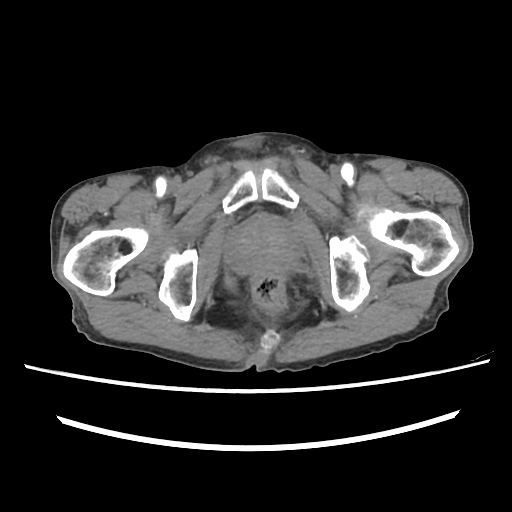 CT abdomen. axial view. W/L 400/40 HU. 512x512 px. 81-year-old male patient
Boxes are (x1, y1, x2, y2) in pixels.
Organ bounding boxes:
- prostate/uterus: (228, 215, 298, 274)